Computed tomography, abdomen. axial view
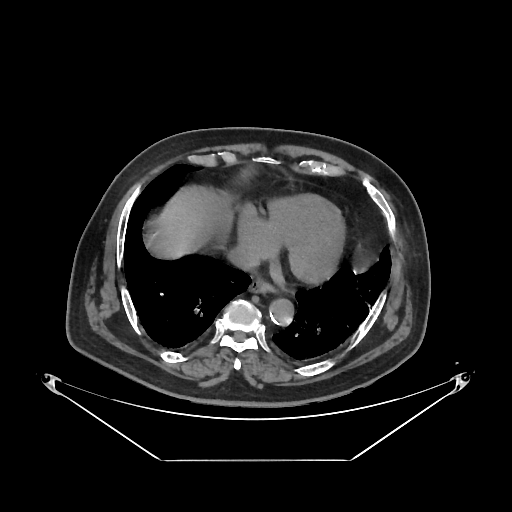
Box edges are left/top/right/bottom in pixels.
esophagus: left=249, top=279, right=273, bottom=293
liver: left=156, top=185, right=232, bottom=257
aorta: left=269, top=298, right=293, bottom=325
inferior vena cava: left=228, top=248, right=258, bottom=270